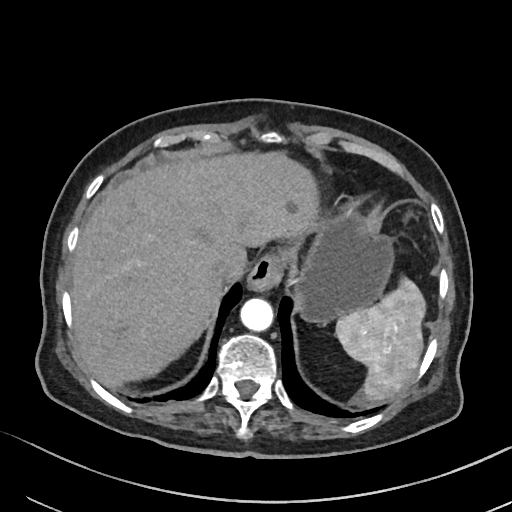 CT abdomen · axial view
Boxes: x1:y1:x2:y2 in pixels.
spleen: 335:278:425:402
esophagus: 247:255:282:291
liver: 71:151:318:387
stomach: 293:213:394:323
aorta: 240:298:273:331
inferior vena cava: 213:258:244:281